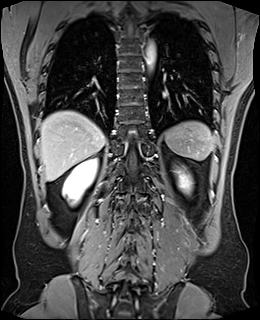
Abdominal MRI — coronal view — scan has 13 labeled organs (counted over the whole 3D scan, not this slice; an organ is boxed only where this slice passes through it)
<organs><organ name="spleen" x1="164" y1="121" x2="215" y2="160"/><organ name="right kidney" x1="63" y1="158" x2="97" y2="204"/><organ name="left kidney" x1="175" y1="169" x2="192" y2="193"/><organ name="liver" x1="40" y1="111" x2="105" y2="180"/><organ name="aorta" x1="145" y1="40" x2="156" y2="69"/></organs>